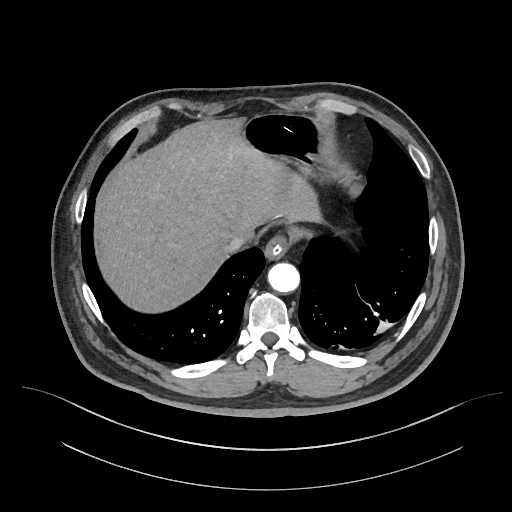 CT abdomen · axial view · W/L 400/40 HU · 512x512 px · acquired on SOMATOM Force
Each box given as x1,y1,x2,y2. 5 labeled organs on this slice — esophagus at x1=264, y1=236, x2=288, y2=260; liver at x1=94, y1=119, x2=333, y2=313; stomach at x1=241, y1=114, x2=337, y2=179; aorta at x1=268, y1=263, x2=299, y2=292; inferior vena cava at x1=223, y1=233, x2=247, y2=252.